Computed tomography, abdomen; Axial slice 58/93; 56-year-old male patient; Brilliance16 scanner
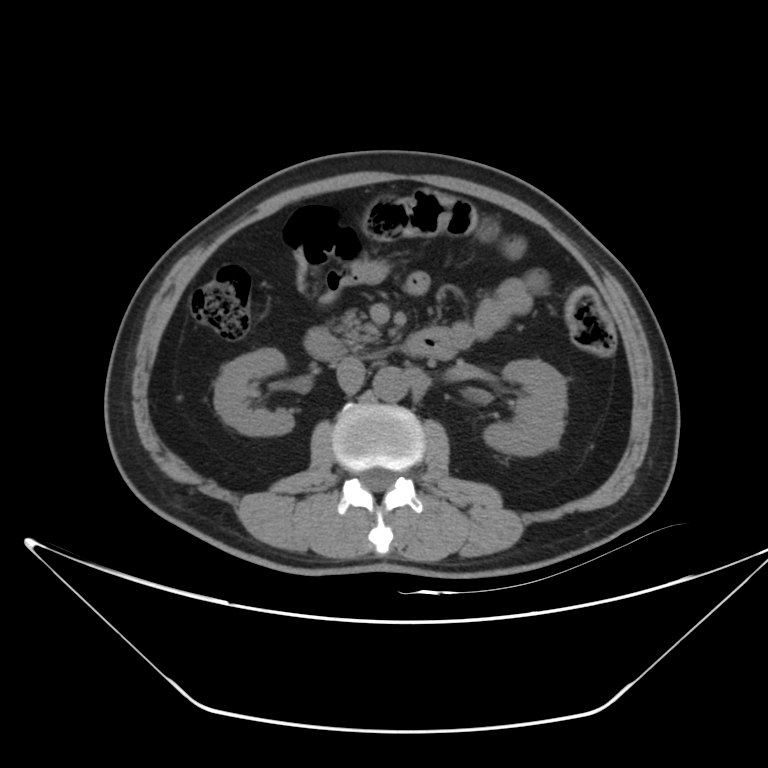
Boxes are (x1, y1, x2, y2) in pixels. The annotated organs in this slice are: right kidney at (214, 347, 294, 435), left kidney at (483, 360, 566, 455), aorta at (373, 367, 407, 401), inferior vena cava at (337, 357, 365, 392), pancreas at (332, 310, 380, 346), duodenum at (305, 327, 457, 362).